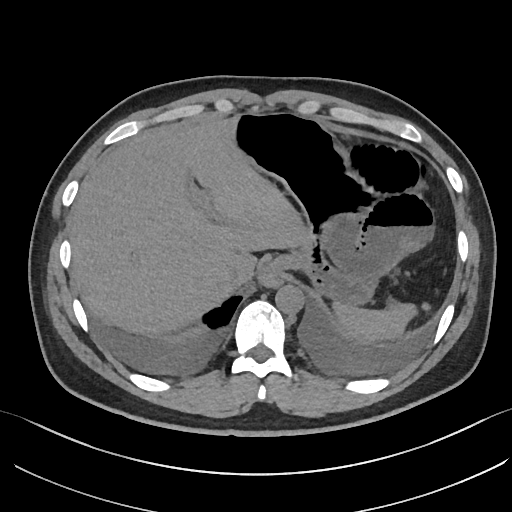 CT, abdomen/pelvis. axial plane, index 199. abdomen soft-tissue window. 15 organs annotated in this scan (a whole-scan count: organs this slice does not pass through have no box)
Boxes are (x1, y1, x2, y2) in pixels. 6 labeled organs on this slice — spleen at (332, 301, 413, 338); esophagus at (259, 258, 284, 286); liver at (69, 119, 308, 333); stomach at (234, 112, 376, 303); aorta at (276, 285, 304, 314); inferior vena cava at (218, 264, 243, 287).